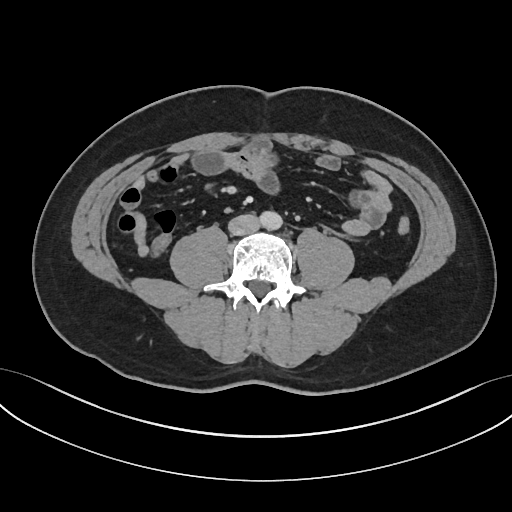 Abdominal CT. axial view
Organ boxes in pixel coordinates; each row gives the top-left (x1, y1) and bottom-right (x2, y2) corners.
| organ | x1 | y1 | x2 | y2 |
|---|---|---|---|---|
| aorta | 260 | 211 | 282 | 230 |
| inferior vena cava | 228 | 214 | 259 | 235 |